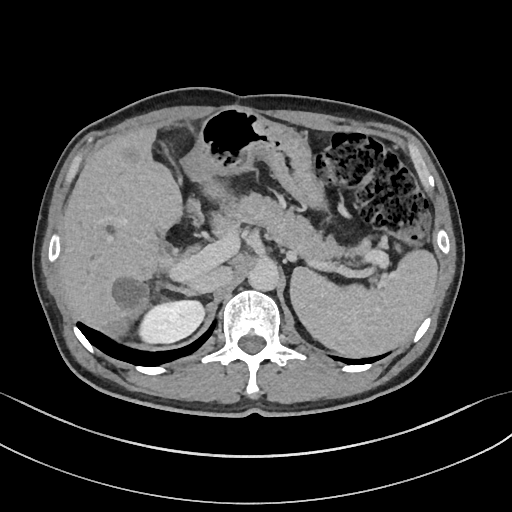
CT abdomen — axial view — 512x512 px — acquired on SOMATOM Force
Coordinates as <box>x1,y1,x2,y2</box> in pixels.
spleen: <box>290,249,438,356</box>
right kidney: <box>138,300,204,343</box>
liver: <box>59,126,225,331</box>
stomach: <box>183,108,326,209</box>
aorta: <box>248,259,279,291</box>
inferior vena cava: <box>188,267,232,293</box>
pancreas: <box>211,192,364,261</box>
right adrenal gland: <box>164,284,197,296</box>
duodenum: <box>187,199,201,227</box>